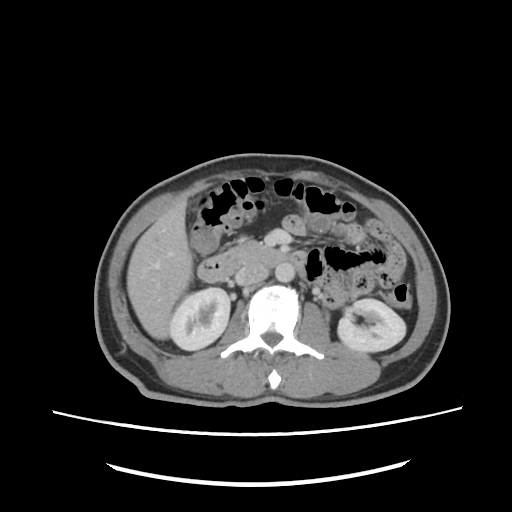
Abdominal CT; axial view; 512x512 px
Box edges are left/top/right/bottom in pixels. 7 labeled organs on this slice — right kidney at left=170, top=287, right=230, bottom=350; left kidney at left=337, top=299, right=405, bottom=351; liver at left=127, top=200, right=192, bottom=339; aorta at left=275, top=263, right=294, bottom=282; inferior vena cava at left=235, top=262, right=268, bottom=285; pancreas at left=221, top=240, right=266, bottom=261; duodenum at left=197, top=247, right=306, bottom=282.